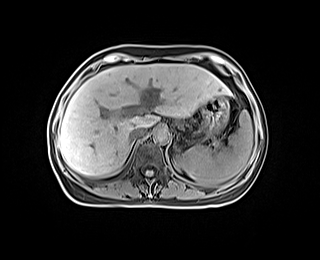

Abdominal MRI; axial view; 13 organs annotated in this scan (that count is for the whole scan; organs this slice misses have no box)
Coordinates as <box>x1,y1,x2,y2</box> in pixels.
Organ bounding boxes:
- spleen: <box>182,110,253,186</box>
- left kidney: <box>174,156,183,169</box>
- liver: <box>59,64,230,176</box>
- stomach: <box>201,95,228,135</box>
- aorta: <box>153,126,169,143</box>
- inferior vena cava: <box>130,127,146,140</box>
- right adrenal gland: <box>130,141,134,147</box>